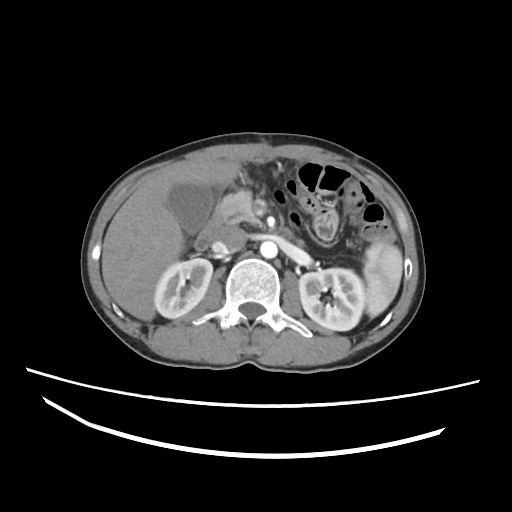

Computed tomography, abdomen; Axial slice 72/140; soft-tissue window (W 400 / L 40); 512x512 px; 40-year-old male patient; acquired on Aquilion ONE
One row per box, in pixels: columns x1 and y1 give the top-left corner, x2 and y2 the bottom-right.
| organ | x1 | y1 | x2 | y2 |
|---|---|---|---|---|
| spleen | 363 | 242 | 402 | 317 |
| right kidney | 154 | 258 | 212 | 318 |
| left kidney | 299 | 268 | 365 | 330 |
| gall bladder | 167 | 183 | 213 | 233 |
| liver | 101 | 161 | 238 | 320 |
| aorta | 260 | 241 | 277 | 258 |
| inferior vena cava | 212 | 226 | 246 | 253 |
| pancreas | 215 | 189 | 261 | 226 |
| duodenum | 194 | 212 | 223 | 250 |